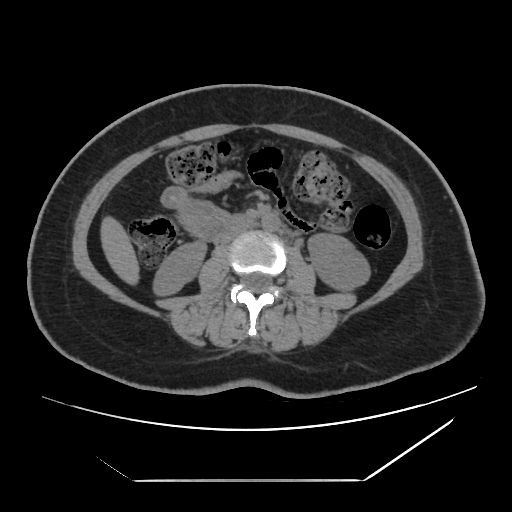
CT, abdomen/pelvis · axial view · scan has 15 labeled organs (a whole-scan count: organs this slice does not pass through have no box)
Coordinates as <box>x1,y1,x2,y2</box> in pixels.
right kidney: <box>154,242,204,294</box>
left kidney: <box>308,233,369,289</box>
liver: <box>101,218,138,282</box>
aorta: <box>261,212,280,231</box>
inferior vena cava: <box>223,223,249,242</box>